CT abdomen; axial view; abdomen soft-tissue window
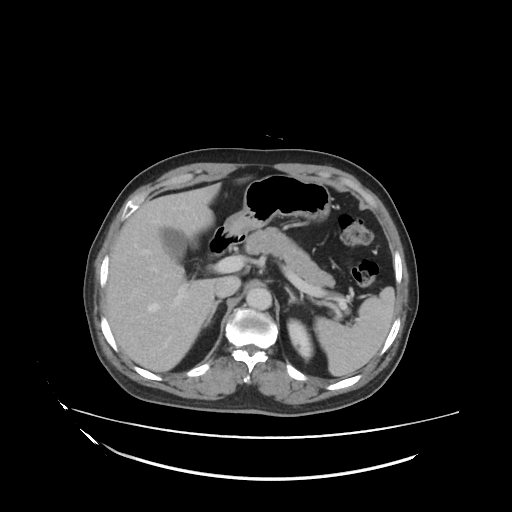
Each box given as x1,y1,x2,y2.
right adrenal gland: x1=206, y1=298, x2=222, y2=323
stomach: x1=224, y1=173, x2=332, y2=233
liver: x1=106, y1=182, x2=238, y2=372
gall bladder: x1=161, y1=227, x2=186, y2=258
spleen: x1=314, y1=286, x2=395, y2=377
left kidney: x1=287, y1=319, x2=313, y2=357
duodenum: x1=206, y1=226, x2=246, y2=259
aorta: x1=245, y1=287, x2=271, y2=310
pancreas: x1=245, y1=227, x2=333, y2=288
left adrenal gland: x1=285, y1=287, x2=297, y2=304
inferior vena cava: x1=214, y1=276, x2=240, y2=297